CT, abdomen/pelvis — axial view — W/L 400/40 HU — 512x512 px
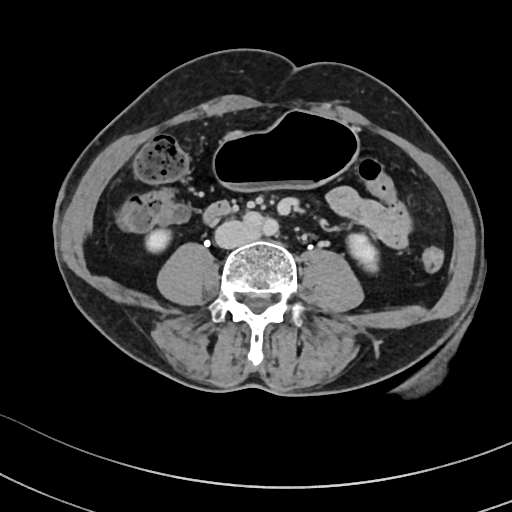 Bounding boxes in pixels, one row per box: x1, y1 is the top-left corner and x2, y2 the bottom-right.
| organ | x1 | y1 | x2 | y2 |
|---|---|---|---|---|
| right kidney | 147 | 229 | 170 | 252 |
| left kidney | 347 | 233 | 378 | 272 |
| stomach | 211 | 112 | 360 | 190 |
| inferior vena cava | 214 | 220 | 257 | 248 |
| duodenum | 201 | 199 | 230 | 225 |